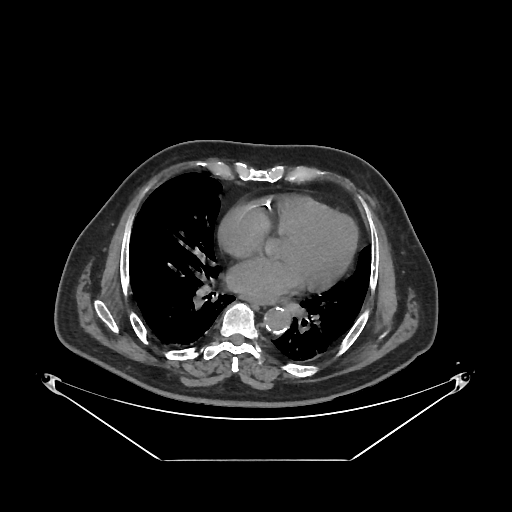 CT of the abdomen reaching into the lower chest, slice just above the liver and spleen — Axial slice 350/353
Of the structures in the chest, this dataset labels only the esophagus, the aorta and the inferior vena cava; the heart and lungs have no label.
Coordinates as <box>x1,y1,x2,y2</box> in pixels.
esophagus: <box>240,294,274,304</box>
aorta: <box>263,308,291,334</box>